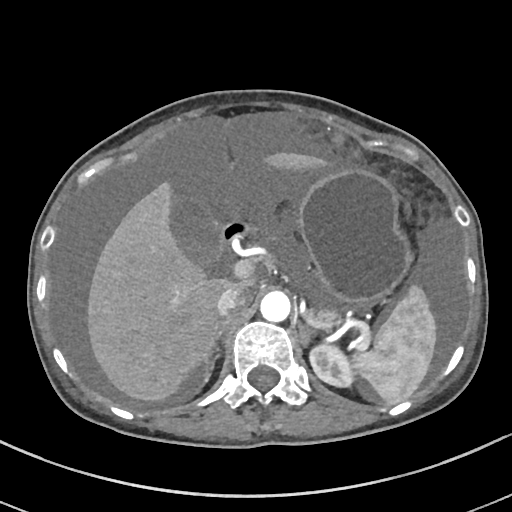
Computed tomography, abdomen · axial view · abdomen soft-tissue window · SOMATOM Force scanner
Boxes are (x1, y1, x2, y2) in pixels. 11 labeled organs on this slice — spleen at (354, 285, 436, 403); left kidney at (310, 344, 354, 386); gall bladder at (170, 199, 221, 266); liver at (87, 153, 326, 401); stomach at (299, 170, 412, 307); aorta at (260, 291, 290, 321); inferior vena cava at (216, 287, 246, 315); pancreas at (317, 311, 334, 320); right adrenal gland at (204, 317, 230, 380); left adrenal gland at (299, 325, 312, 346); duodenum at (220, 221, 248, 245).